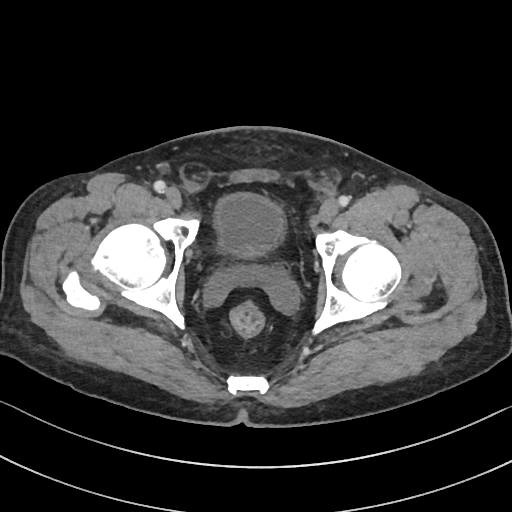

CT, abdomen/pelvis — axial view — soft-tissue window (W 400 / L 40)
<organs><organ name="bladder" x1="212" y1="192" x2="285" y2="257"/></organs>